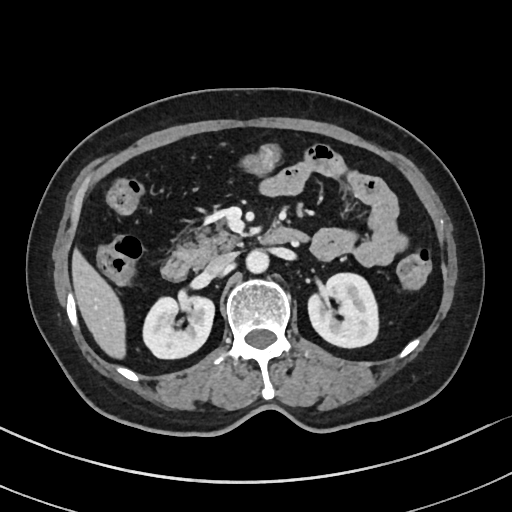
Computed tomography, abdomen; axial plane, index 157; 512x512 px; SOMATOM Force scanner; scan has 14 labeled organs (counted over the whole 3D scan, not this slice; an organ is boxed only where this slice passes through it)
Bounding boxes as [x1, y1, x2, y2] in pixel coordinates.
Organ bounding boxes:
- duodenum: [160, 226, 309, 280]
- left kidney: [307, 273, 378, 347]
- inferior vena cava: [204, 253, 235, 277]
- liver: [70, 248, 126, 358]
- right kidney: [143, 293, 214, 358]
- pancreas: [174, 218, 241, 266]
- aorta: [246, 250, 268, 274]